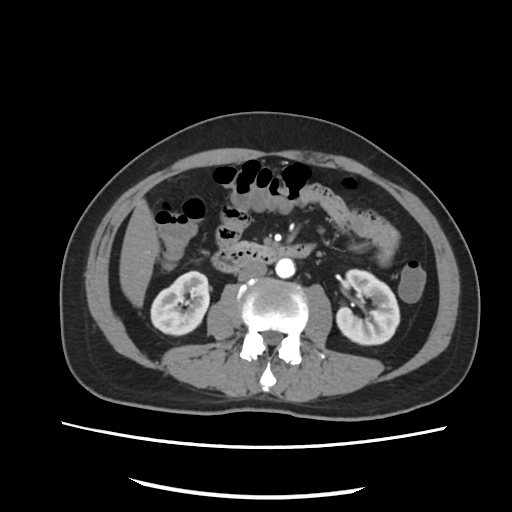
CT abdomen · axial view · soft-tissue window (W 400 / L 40) · 66-year-old male patient
{"organs":{"right kidney":[151,271,210,335],"left kidney":[337,269,399,345],"liver":[120,198,160,306],"aorta":[276,258,294,277],"inferior vena cava":[237,262,267,279],"pancreas":[228,241,268,248],"duodenum":[212,243,313,270]}}